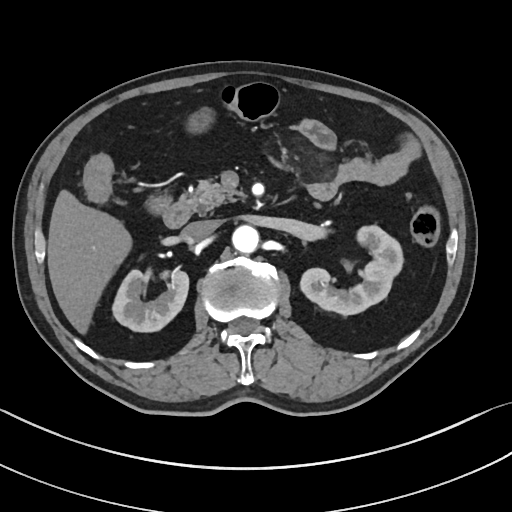 Abdominal CT — axial view — W/L 400/40 HU — 512x512 px — 15 organs annotated in this scan (that count is for the whole scan; organs this slice misses have no box)
Each box given as x1,y1,x2,y2.
Organ bounding boxes:
- right kidney: x1=114, y1=270, x2=189, y2=332
- left kidney: x1=299, y1=224, x2=401, y2=316
- liver: x1=47, y1=188, x2=132, y2=335
- stomach: x1=187, y1=109, x2=213, y2=132
- aorta: x1=232, y1=225, x2=259, y2=254
- inferior vena cava: x1=182, y1=220, x2=218, y2=241
- pancreas: x1=186, y1=178, x2=245, y2=214
- duodenum: x1=149, y1=193, x2=191, y2=228